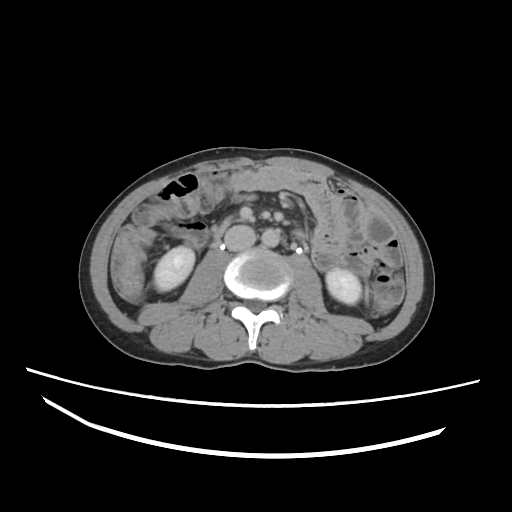 CT abdomen — Axial slice 61/101 — 40-year-old male patient — Aquilion ONE scanner
Each box given as x1,y1,x2,y2. 4 labeled organs on this slice — right kidney at x1=153, y1=246, x2=194, y2=291; left kidney at x1=326, y1=269, x2=361, y2=304; aorta at x1=260, y1=227, x2=281, y2=247; inferior vena cava at x1=224, y1=225, x2=256, y2=251.